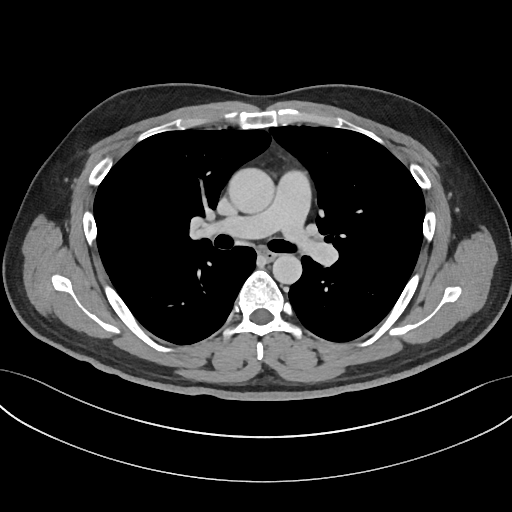 CT of the abdomen extending into the chest, slice through the chest — axial view — W/L 400/40 HU — 512x512 px — scan has 15 labeled organs (counted over the whole 3D scan, not this slice; an organ is boxed only where this slice passes through it)
At this level of the chest this dataset labels only the esophagus and the aorta, and each is boxed only where it is labeled; the heart and lungs are never labeled.
<organs><organ name="esophagus" x1="260" y1="249" x2="275" y2="260"/><organ name="aorta" x1="228" y1="168" x2="274" y2="213"/><organ name="aorta" x1="272" y1="254" x2="302" y2="283"/></organs>